Abdominal CT reaching into the chest; this slice is in the chest — axial view — 512x512 px — SOMATOM Force scanner
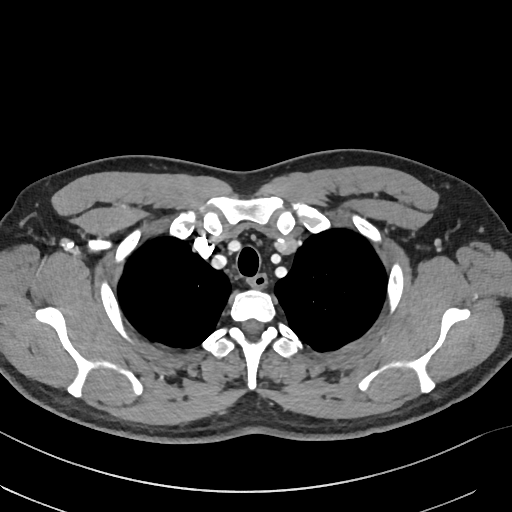 At this level of the chest no structure but the esophagus and the aorta has a label in this dataset, and those two are boxed only where they are labeled. Bounding boxes as [x1, y1, x2, y2] in pixel coordinates. 1 labeled organ on this slice — esophagus at [249, 274, 267, 287].